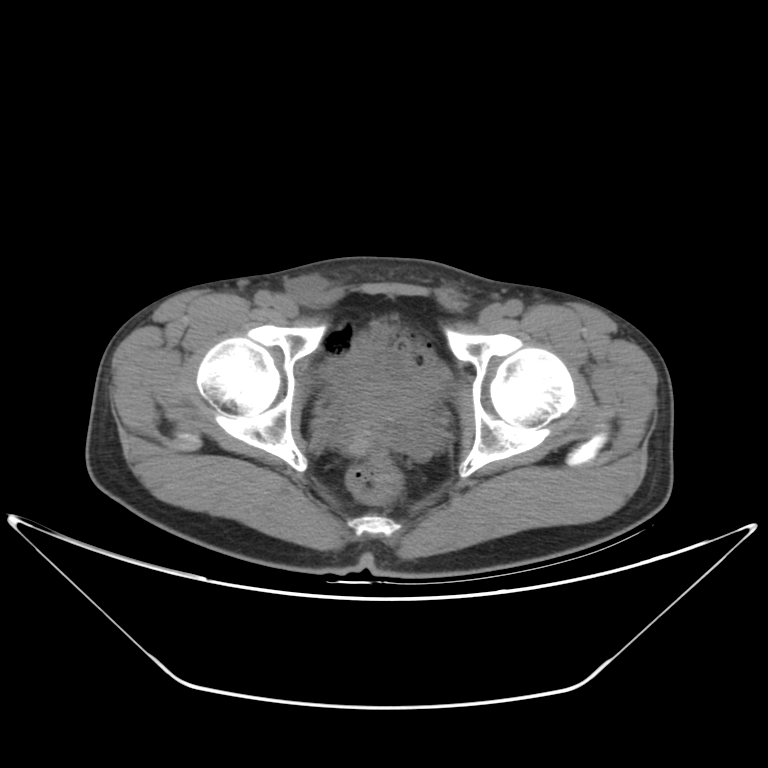

CT, abdomen/pelvis · axial view · soft-tissue window (W 400 / L 40) · 768x768 px · acquired on Brilliance16
One row per box, in pixels: columns x1 and y1 give the top-left corner, x2 and y2 the bottom-right.
| organ | x1 | y1 | x2 | y2 |
|---|---|---|---|---|
| bladder | 332 | 344 | 448 | 408 |
| prostate/uterus | 358 | 404 | 409 | 425 |